Abdominal CT. axial view. W/L 400/40 HU. Brilliance16 scanner. 13 organs annotated in this scan (a whole-scan count: organs this slice does not pass through have no box)
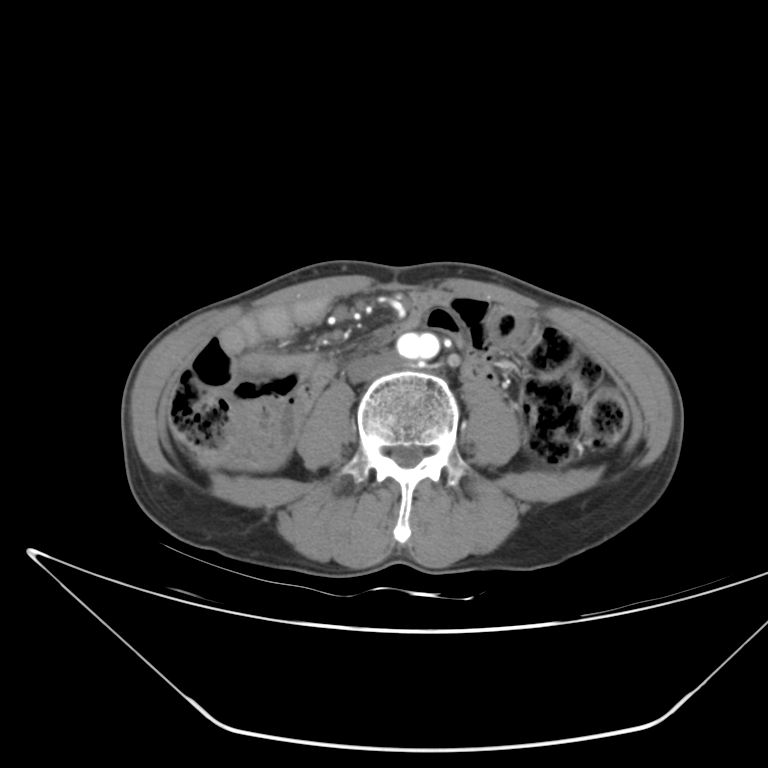

Boxes: x1:y1:x2:y2 in pixels.
inferior vena cava: 347:351:399:381